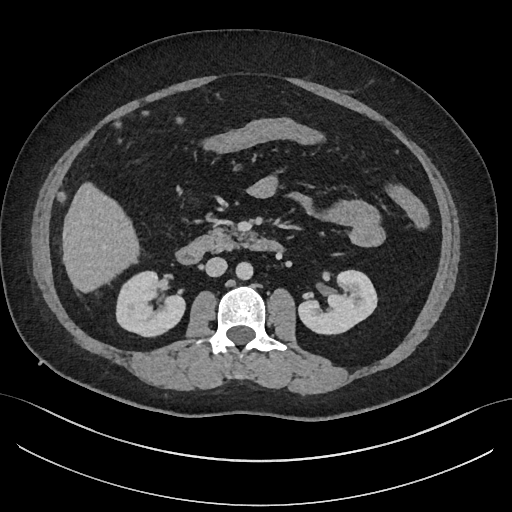

CT abdomen · axial view · soft-tissue window · 512x512 px
Organ boxes in pixel coordinates; each row gives the top-left (x1, y1) and bottom-right (x2, y2) corners.
| organ | x1 | y1 | x2 | y2 |
|---|---|---|---|---|
| right kidney | 117 | 273 | 186 | 337 |
| left kidney | 298 | 270 | 376 | 335 |
| liver | 62 | 181 | 138 | 293 |
| aorta | 236 | 262 | 253 | 280 |
| inferior vena cava | 204 | 257 | 226 | 276 |
| pancreas | 197 | 225 | 257 | 252 |
| duodenum | 175 | 240 | 285 | 265 |